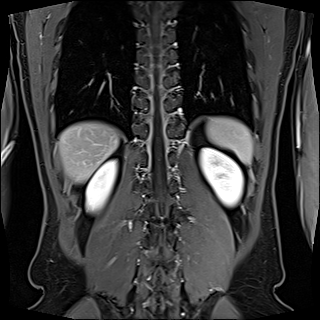

Magnetic resonance imaging, abdomen. coronal plane, index 15. 1st–99th percentile window. scan has 13 labeled organs (a whole-scan count: organs this slice does not pass through have no box)
Bounding boxes as [x1, y1, x2, y2] in pixel coordinates.
Organ bounding boxes:
- spleen: [206, 117, 252, 163]
- right kidney: [86, 160, 116, 210]
- left kidney: [200, 148, 243, 206]
- liver: [59, 122, 119, 182]